Computed tomography, abdomen. axial view. W/L 400/40 HU. SOMATOM Force scanner
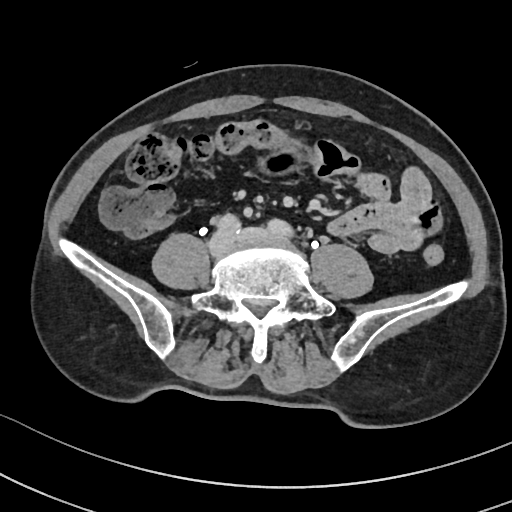 Bounding boxes as [x1, y1, x2, y2] in pixel coordinates.
stomach: [262, 149, 299, 172]